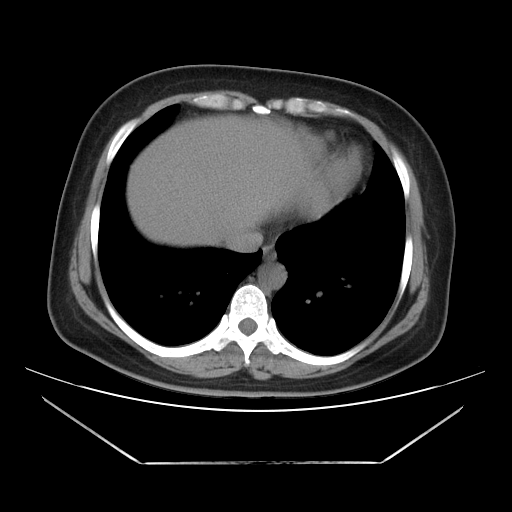 Abdominal CT; Axial slice 88/93; soft-tissue window (W 400 / L 40); scan has 15 labeled organs (counted over the whole 3D scan, not this slice; an organ is boxed only where this slice passes through it)
<organs><organ name="esophagus" x1="263" y1="244" x2="276" y2="261"/><organ name="liver" x1="126" y1="114" x2="331" y2="246"/><organ name="aorta" x1="258" y1="263" x2="286" y2="289"/><organ name="inferior vena cava" x1="224" y1="229" x2="263" y2="252"/></organs>